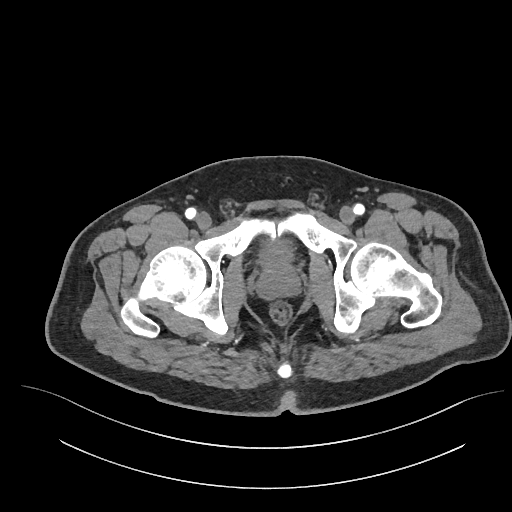

Computed tomography, abdomen. axial view. W/L 400/40 HU
<organs><organ name="bladder" x1="259" y1="240" x2="293" y2="263"/><organ name="prostate/uterus" x1="257" y1="262" x2="299" y2="299"/></organs>